CT abdomen · axial view
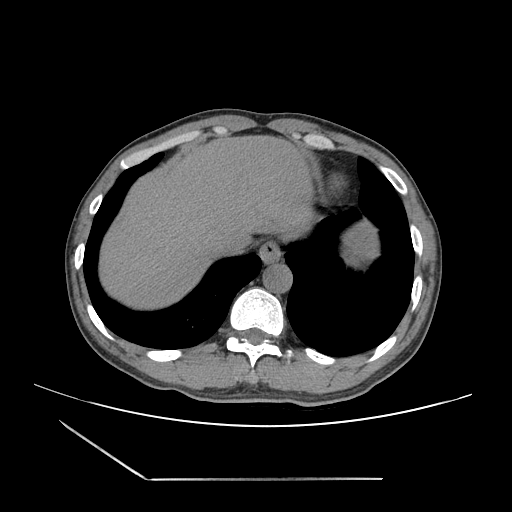
Each box given as x1,y1,x2,y2.
Organ bounding boxes:
- esophagus: x1=259, y1=241, x2=281, y2=263
- liver: x1=99, y1=135, x2=314, y2=309
- stomach: x1=342, y1=222, x2=378, y2=266
- aorta: x1=262, y1=263, x2=292, y2=293
- inferior vena cava: x1=217, y1=233, x2=249, y2=255